Computed tomography, abdomen; axial plane, index 116; 512x512 px
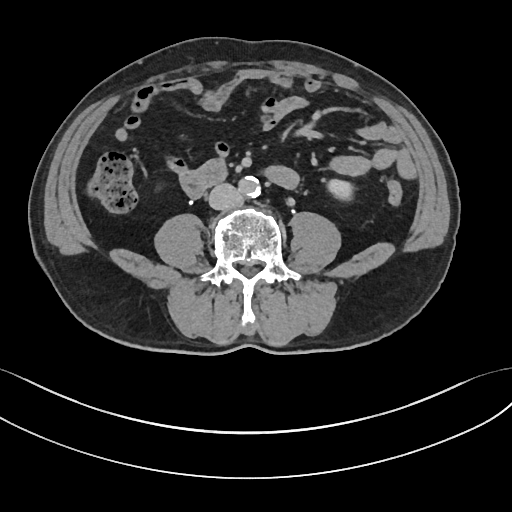

Organ boxes in pixel coordinates; each row gives the top-left (x1, y1) and bottom-right (x2, y2) corners.
| organ | x1 | y1 | x2 | y2 |
|---|---|---|---|---|
| left kidney | 327 | 179 | 352 | 199 |
| aorta | 238 | 176 | 259 | 197 |
| inferior vena cava | 208 | 183 | 242 | 210 |
| duodenum | 180 | 159 | 226 | 197 |